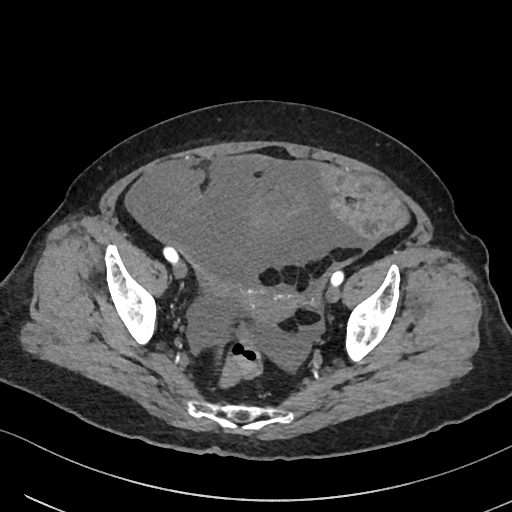

Abdominal CT; Axial slice 59/297
Box edges are left/top/right/bottom in pixels. 1 labeled organ on this slice — prostate/uterus at left=239, top=287, right=298, bottom=321.